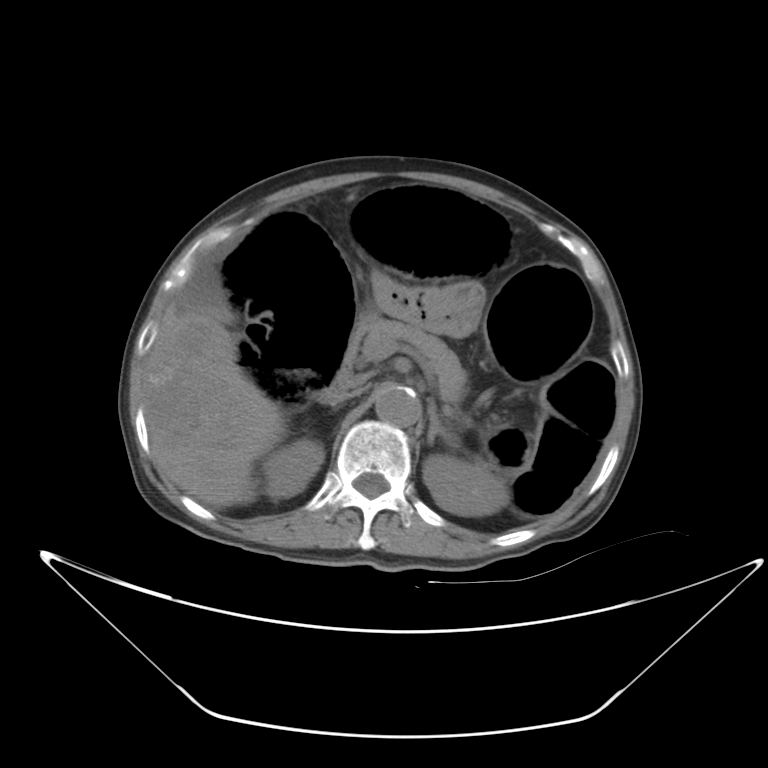
Computed tomography, abdomen · axial view · abdomen soft-tissue window · 768x768 px · 64-year-old male patient
<organs><organ name="right kidney" x1="262" y1="438" x2="324" y2="499"/><organ name="left kidney" x1="422" y1="455" x2="508" y2="516"/><organ name="gall bladder" x1="183" y1="264" x2="233" y2="321"/><organ name="liver" x1="142" y1="284" x2="286" y2="507"/><organ name="stomach" x1="372" y1="273" x2="483" y2="337"/><organ name="aorta" x1="375" y1="386" x2="420" y2="426"/><organ name="inferior vena cava" x1="331" y1="389" x2="362" y2="404"/><organ name="pancreas" x1="348" y1="317" x2="467" y2="419"/><organ name="left adrenal gland" x1="426" y1="402" x2="458" y2="448"/><organ name="duodenum" x1="320" y1="353" x2="354" y2="397"/></organs>